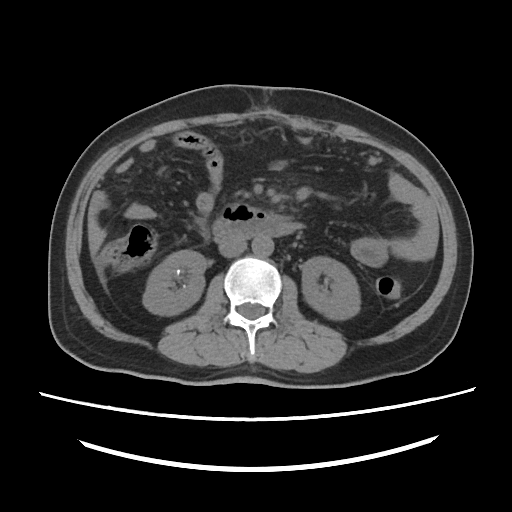

Computed tomography, abdomen · axial view · W/L 400/40 HU
Coordinates as <box>x1,y1,x2,y2</box> in pixels.
right kidney: <box>143,250,206,315</box>
aorta: <box>252,237,273,256</box>
inferior vena cava: <box>218,236,246,257</box>
duodenum: <box>213,204,303,239</box>
left kidney: <box>302,256,360,319</box>